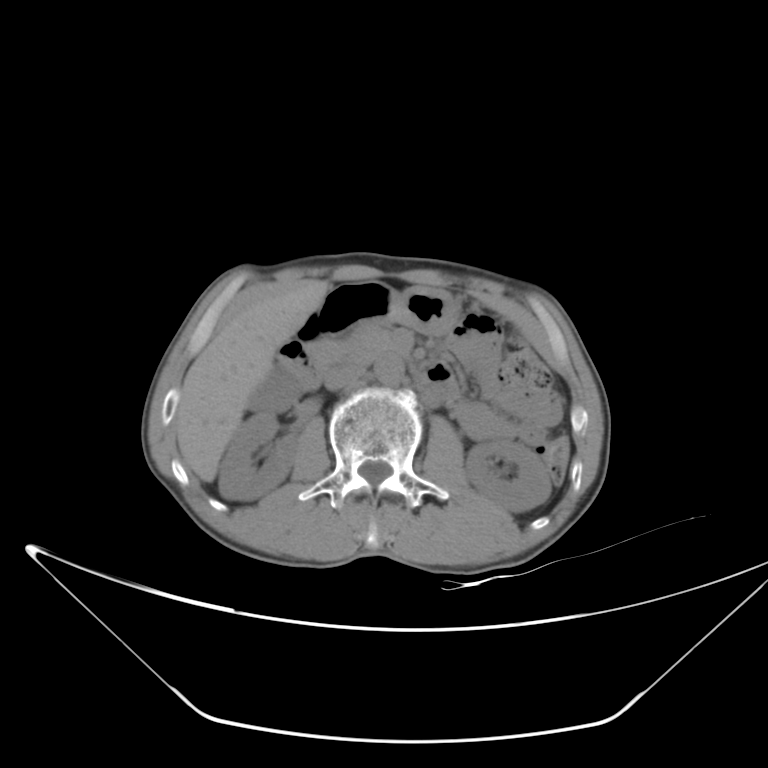 CT abdomen · axial view · 63-year-old male patient
Each box given as x1,y1,x2,y2. Labeled organs on this slice: right kidney at x1=219, y1=413, x2=296, y2=499, left kidney at x1=464, y1=439, x2=551, y2=512, gall bladder at x1=245, y1=366, x2=299, y2=412, liver at x1=174, y1=281, x2=328, y2=482, stomach at x1=388, y1=287, x2=457, y2=333, aorta at x1=375, y1=356, x2=404, y2=385, inferior vena cava at x1=326, y1=366, x2=365, y2=389, pancreas at x1=308, y1=326, x2=391, y2=372, duodenum at x1=277, y1=280, x2=457, y2=402.